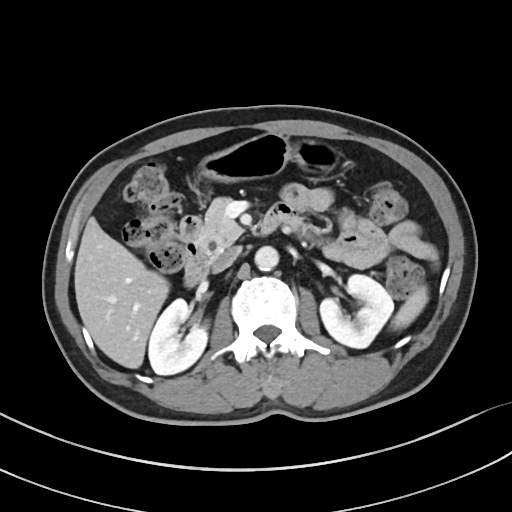

CT, abdomen/pelvis · axial view · soft-tissue window (W 400 / L 40) · 512x512 px
Coordinates as <box>x1,y1,x2,y2</box> in pixels.
spleen: <box>391,285,428,329</box>
right kidney: <box>148,299,207,374</box>
left kidney: <box>320,274,393,348</box>
liver: <box>74,217,169,368</box>
stomach: <box>198,133,338,183</box>
aorta: <box>254,246,279,271</box>
inferior vena cava: <box>212,246,240,272</box>
pancreas: <box>196,197,243,256</box>
duodenum: <box>179,203,304,286</box>